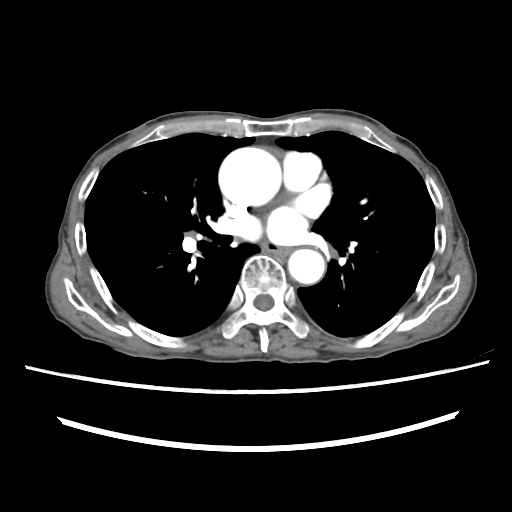 Chest-level slice from an abdominal CT that extends up into the chest. axial view. soft-tissue window. 512x512 px. 81-year-old male patient
At this level of the chest this dataset labels only the esophagus and the aorta, and each is boxed only where it is labeled; the heart and lungs are never labeled.
Bounding boxes in pixels, one row per box: x1, y1 is the top-left corner and x2, y2 the bottom-right.
| organ | x1 | y1 | x2 | y2 |
|---|---|---|---|---|
| esophagus | 262 | 242 | 289 | 256 |
| aorta | 218 | 147 | 281 | 206 |
| aorta | 288 | 249 | 325 | 283 |